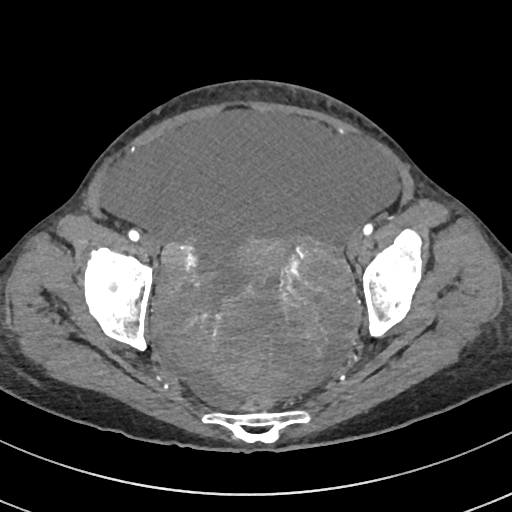

CT abdomen; axial plane, index 41; 512x512 px; SOMATOM Force scanner
Boxes: x1 y1 x2 y2 (pixel coords, space-separated). The annotated organs in this slice are: prostate/uterus at 220 239 288 320.